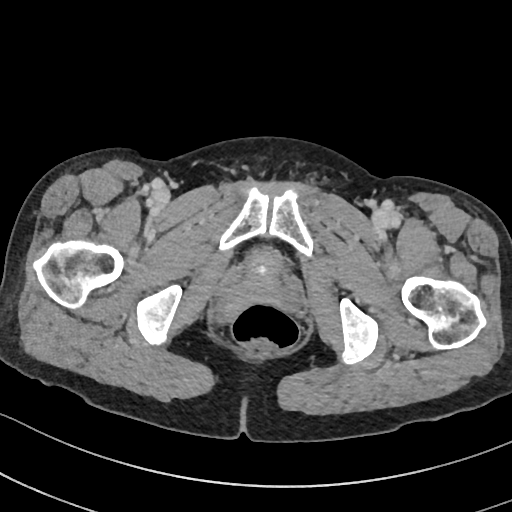
Abdominal CT — axial view — W/L 400/40 HU — scan has 15 labeled organs (counted over the whole 3D scan, not this slice; an organ is boxed only where this slice passes through it)
Bounding boxes in pixels, one row per box: x1, y1 is the top-left corner and x2, y2 the bottom-right.
| organ | x1 | y1 | x2 | y2 |
|---|---|---|---|---|
| bladder | 246 | 249 | 281 | 278 |